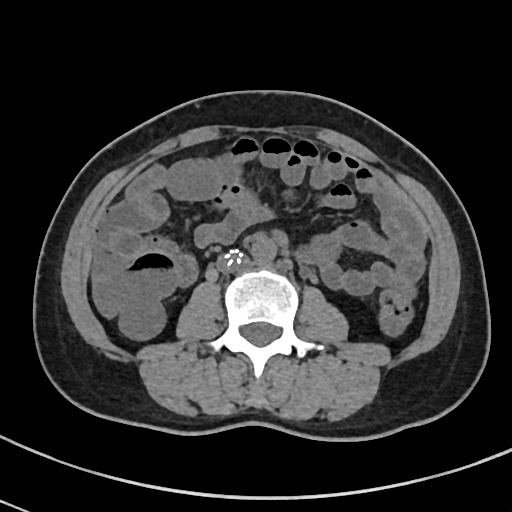

CT abdomen; Axial slice 120/218; acquired on SOMATOM Force
Coordinates as <box>x1,y1,x2,y2</box> in pixels. The annotated organs in this slice are: inferior vena cava at <box>216,249,249,273</box>, aorta at <box>250,235,276,263</box>.